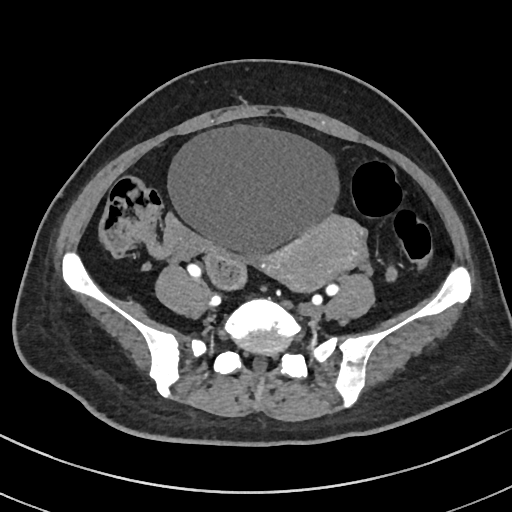

Computed tomography, abdomen; axial view; soft-tissue window
Boxes are (x1, y1, x2, y2) in pixels. 2 labeled organs on this slice — prostate/uterus at (267, 215, 367, 293); bladder at (168, 127, 339, 253).